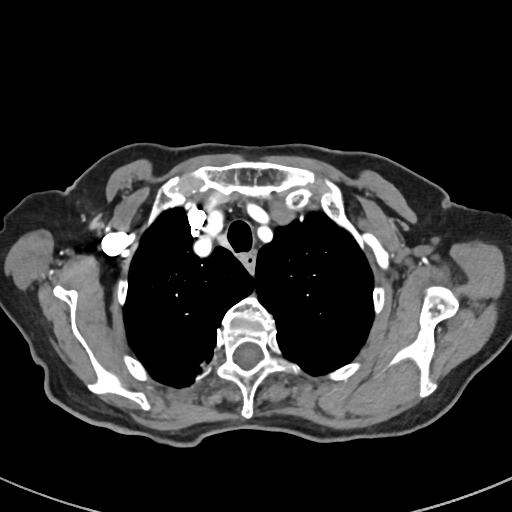
Abdominal CT reaching into the chest; this slice is in the chest. axial view. soft-tissue window. 512x512 px
At this level of the chest no structure but the esophagus and the aorta has a label in this dataset, and those two are boxed only where they are labeled.
Bounding boxes as [x1, y1, x2, y2] in pixel coordinates.
Organ bounding boxes:
- esophagus: [241, 252, 255, 271]